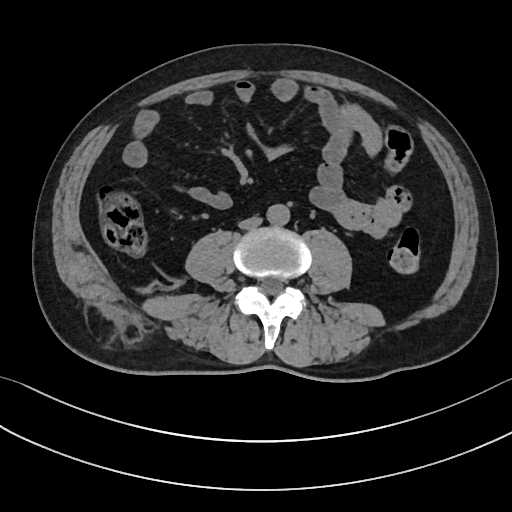 CT abdomen; axial view; abdomen soft-tissue window; 512x512 px; SOMATOM Force scanner
Boxes are (x1, y1, x2, y2) in pixels. Labeled organs on this slice: aorta at (267, 204, 290, 226), inferior vena cava at (238, 217, 261, 229).